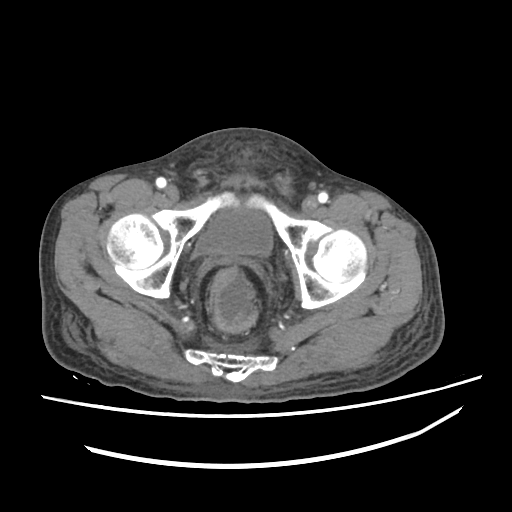 Abdominal CT — axial view — 512x512 px — Aquilion ONE scanner
Each box given as x1,y1,x2,y2.
bladder: x1=192, y1=209, x2=271, y2=257